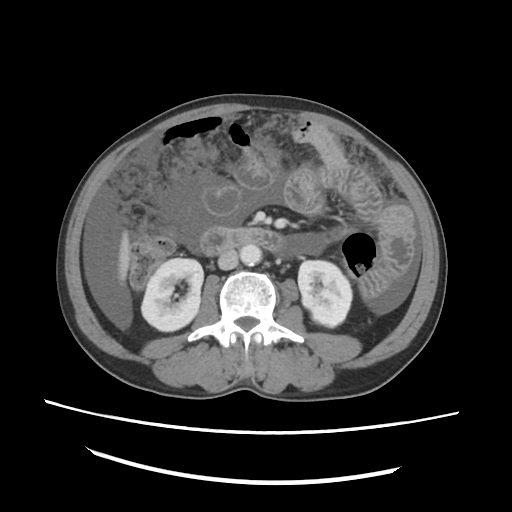

Computed tomography, abdomen · axial view · abdomen soft-tissue window · 512x512 px
{"organs":{"right kidney":[141,258,203,331],"left kidney":[298,260,352,327],"liver":[118,230,130,281],"aorta":[240,244,261,265],"inferior vena cava":[218,249,238,269],"duodenum":[200,227,282,255]}}